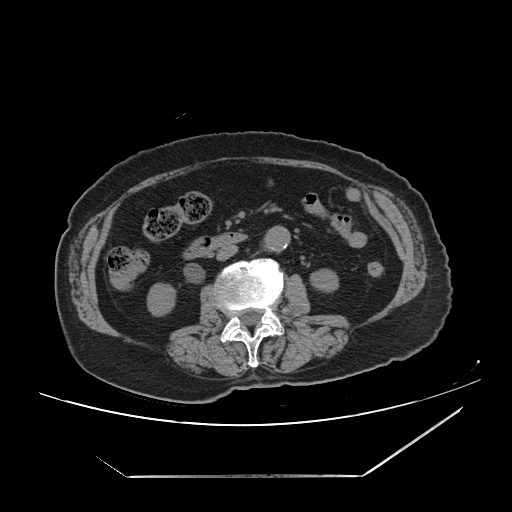 CT, abdomen/pelvis; axial plane, index 96; 15 organs annotated in this scan (counted over the whole 3D scan, not this slice; an organ is boxed only where this slice passes through it)
Organ boxes in pixel coordinates; each row gives the top-left (x1, y1) and bottom-right (x2, y2) corners.
| organ | x1 | y1 | x2 | y2 |
|---|---|---|---|---|
| aorta | 264 | 226 | 290 | 251 |
| inferior vena cava | 216 | 244 | 237 | 260 |
| duodenum | 183 | 232 | 246 | 259 |
| left kidney | 310 | 269 | 338 | 292 |
| right kidney | 147 | 283 | 175 | 315 |